CT abdomen — axial view — W/L 400/40 HU — 51-year-old male patient
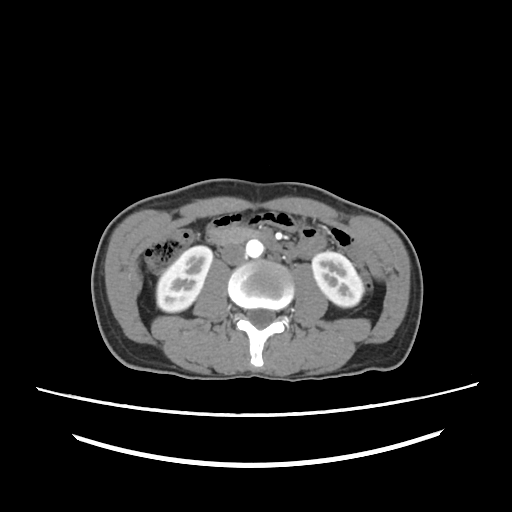

Boxes: x1:y1:x2:y2 in pixels.
right kidney: 157:246:211:312
left kidney: 312:251:364:306
aorta: 247:240:263:256
inferior vena cava: 220:244:246:264
duodenum: 210:227:260:243